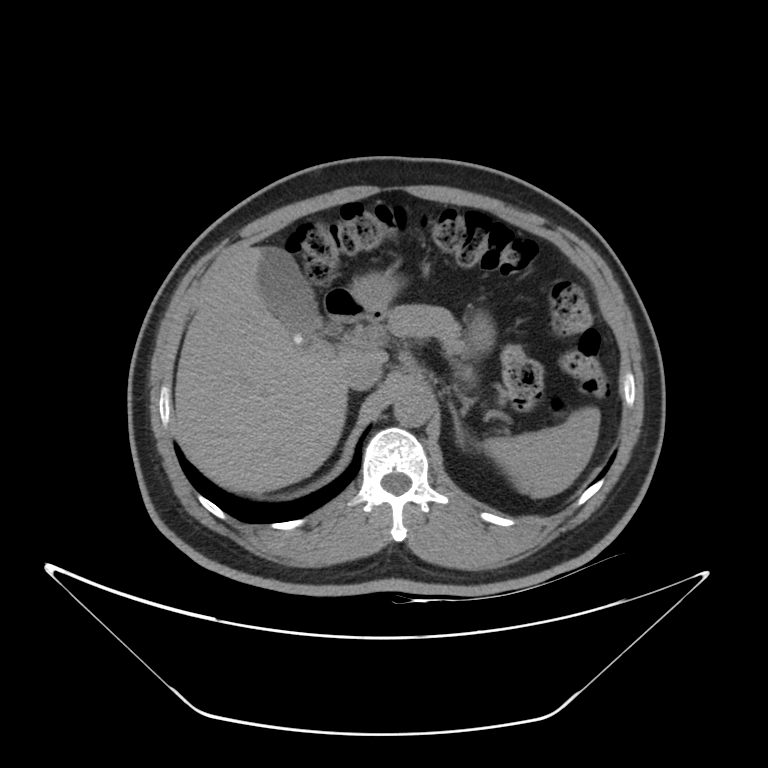

CT, abdomen/pelvis — Axial slice 69/82 — W/L 400/40 HU
Each box given as x1,y1,x2,y2.
spleen: x1=480, y1=406, x2=600, y2=498
gall bladder: x1=258, y1=247, x2=337, y2=342
liver: x1=175, y1=246, x2=356, y2=493
stomach: x1=347, y1=272, x2=495, y2=353
aorta: x1=394, y1=386, x2=433, y2=427
inferior vena cava: x1=340, y1=352, x2=382, y2=390
pancreas: x1=388, y1=304, x2=470, y2=358
left adrenal gland: x1=450, y1=405, x2=465, y2=447
duodenum: x1=325, y1=289, x2=385, y2=323